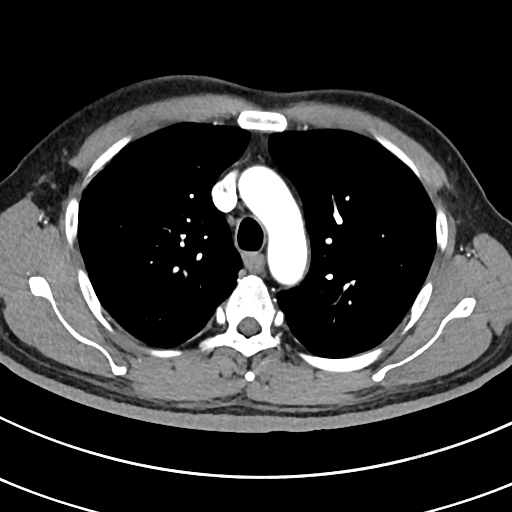
CT of the abdomen extending into the chest, slice through the chest · axial view · soft-tissue window (W 400 / L 40) · SOMATOM Force scanner · 15 organs annotated in this scan (counted over the whole 3D scan, not this slice; an organ is boxed only where this slice passes through it)
At this level of the chest this dataset labels only the esophagus and the aorta, and each is boxed only where it is labeled; the heart and lungs are never labeled. Box edges are left/top/right/bottom in pixels. Labeled organs on this slice: esophagus at left=245, top=254, right=262, bottom=269, aorta at left=238, top=165, right=307, bottom=285.